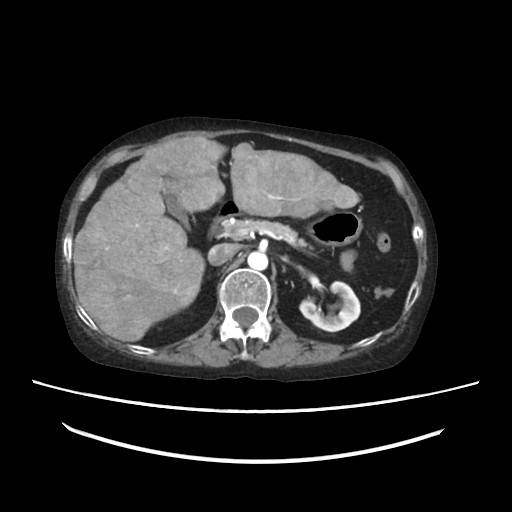
CT abdomen; Axial slice 62/89; soft-tissue window; 512x512 px; Aquilion ONE scanner; scan has 15 labeled organs (counted over the whole 3D scan, not this slice; an organ is boxed only where this slice passes through it)
Box edges are left/top/right/bottom in pixels. The annotated organs in this slice are: duodenum at left=207, top=217, right=220, bottom=236, pancreas at left=219, top=219, right=309, bottom=248, inferior vena cava at left=209, top=244, right=234, bottom=264, stomach at left=216, top=200, right=358, bottom=245, liver at left=72, top=137, right=360, bottom=341, aorta at left=247, top=252, right=269, bottom=270, left kidney at left=299, top=281, right=360, bottom=331, gall bladder at left=164, top=193, right=187, bottom=226.